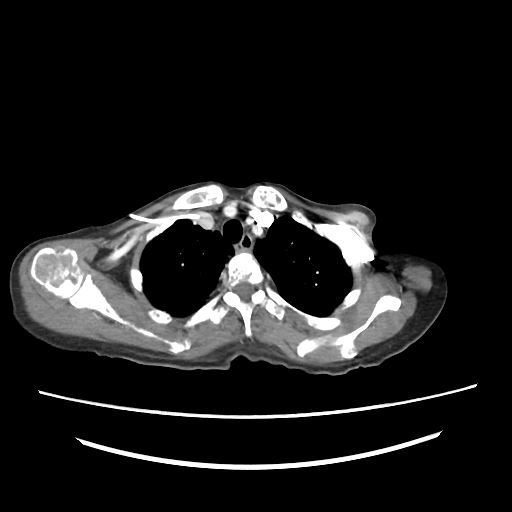 Chest-level slice from an abdominal CT that extends up into the chest; axial view; scan has 15 labeled organs (counted over the whole 3D scan, not this slice; an organ is boxed only where this slice passes through it)
At this level of the chest this dataset labels only the esophagus and the aorta, and each is boxed only where it is labeled; the heart and lungs are never labeled. Box edges are left/top/right/bottom in pixels. The annotated organs in this slice are: esophagus at left=241, top=233, right=252, bottom=249.